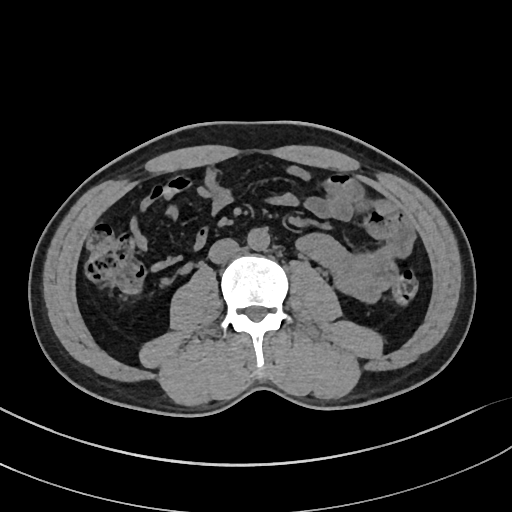

CT, abdomen/pelvis · axial view · scan has 15 labeled organs (a whole-scan count: organs this slice does not pass through have no box)
Organ boxes in pixel coordinates; each row gives the top-left (x1, y1) and bottom-right (x2, y2) corners.
| organ | x1 | y1 | x2 | y2 |
|---|---|---|---|---|
| aorta | 247 | 228 | 269 | 250 |
| inferior vena cava | 209 | 238 | 239 | 263 |